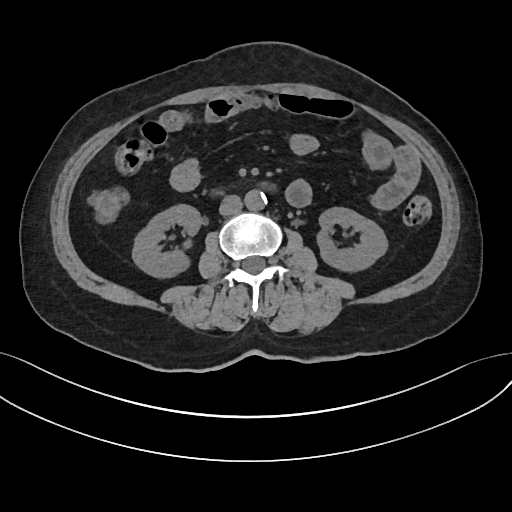

CT abdomen. Axial slice 114/207. 512x512 px
Boxes are (x1, y1, x2, y2) in pixels.
right kidney: (132, 204, 201, 277)
left kidney: (317, 207, 387, 271)
aorta: (244, 190, 266, 210)
inferior vena cava: (219, 195, 242, 215)